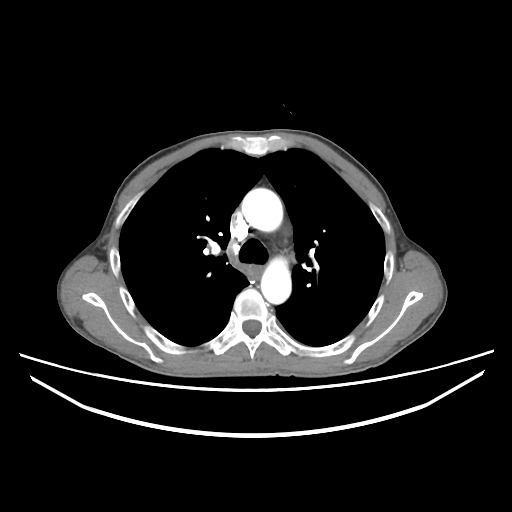 Abdominal CT reaching into the chest; this slice is in the chest — axial view — 512x512 px — 50-year-old male patient — acquired on Aquilion ONE
At this level of the chest this dataset labels only the esophagus and the aorta, and each is boxed only where it is labeled; the heart and lungs are never labeled.
Organ boxes in pixel coordinates; each row gives the top-left (x1, y1) and bottom-right (x2, y2) corners.
| organ | x1 | y1 | x2 | y2 |
|---|---|---|---|---|
| esophagus | 249 | 264 | 261 | 280 |
| aorta | 241 | 188 | 282 | 231 |
| aorta | 261 | 257 | 291 | 303 |